Abdominal CT — axial view — 768x768 px — 31-year-old male patient — acquired on Brilliance16
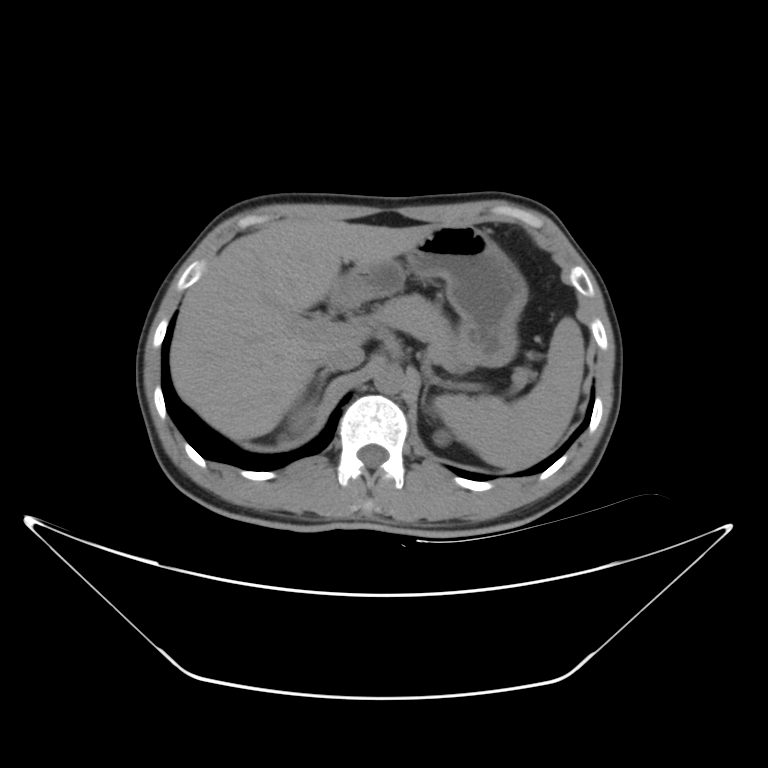 <organs><organ name="aorta" x1="376" y1="369" x2="403" y2="393"/><organ name="inferior vena cava" x1="320" y1="338" x2="365" y2="368"/><organ name="left adrenal gland" x1="420" y1="372" x2="428" y2="413"/><organ name="liver" x1="170" y1="216" x2="454" y2="439"/><organ name="stomach" x1="332" y1="226" x2="526" y2="368"/><organ name="right adrenal gland" x1="294" y1="369" x2="332" y2="405"/><organ name="pancreas" x1="351" y1="292" x2="465" y2="364"/><organ name="left kidney" x1="431" y1="428" x2="454" y2="451"/><organ name="right kidney" x1="286" y1="403" x2="310" y2="433"/><organ name="spleen" x1="438" y1="315" x2="584" y2="470"/></organs>